CT, abdomen/pelvis — Axial slice 179/252 — W/L 400/40 HU — scan has 15 labeled organs (that count is for the whole scan; organs this slice misses have no box)
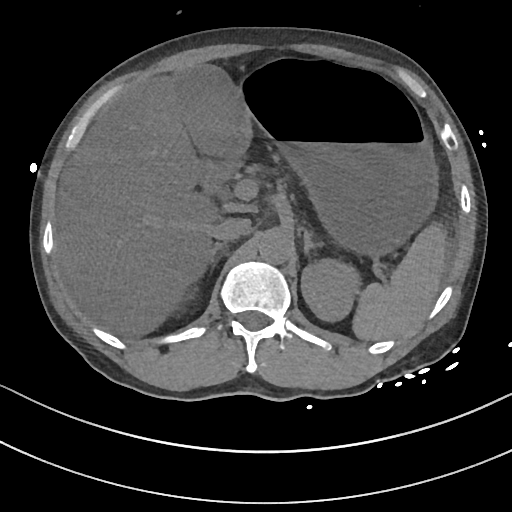 Boxes are (x1, y1, x2, y2) in pixels.
Organ bounding boxes:
- spleen: (353, 222, 446, 340)
- left kidney: (301, 259, 360, 321)
- gall bladder: (174, 65, 248, 155)
- liver: (56, 70, 218, 336)
- stomach: (244, 66, 437, 255)
- aorta: (258, 227, 293, 263)
- inferior vena cava: (211, 218, 250, 240)
- right adrenal gland: (205, 241, 228, 266)
- left adrenal gland: (303, 229, 323, 254)
- duodenum: (200, 158, 237, 193)